Lower-chest slice from an abdominal CT, just above the liver and spleen — Axial slice 204/302 — soft-tissue window (W 400 / L 40) — 512x512 px — scan has 15 labeled organs (a whole-scan count: organs this slice does not pass through have no box)
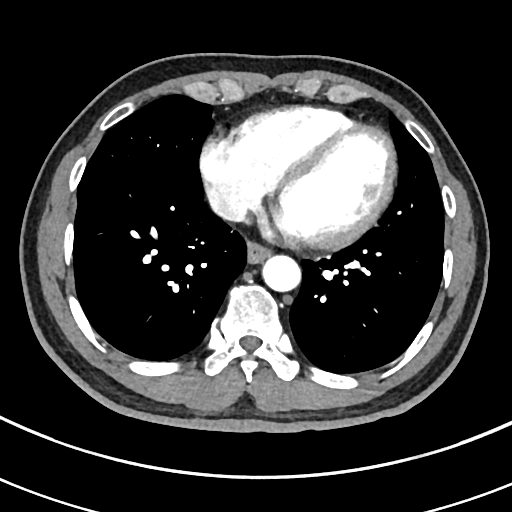
The heart and lungs are never labeled in this dataset, so they have no box on this slice.
Boxes are (x1, y1, x2, y2) in pixels.
Organ bounding boxes:
- aorta: (262, 255, 300, 291)
- inferior vena cava: (207, 187, 246, 221)
- esophagus: (247, 242, 270, 263)